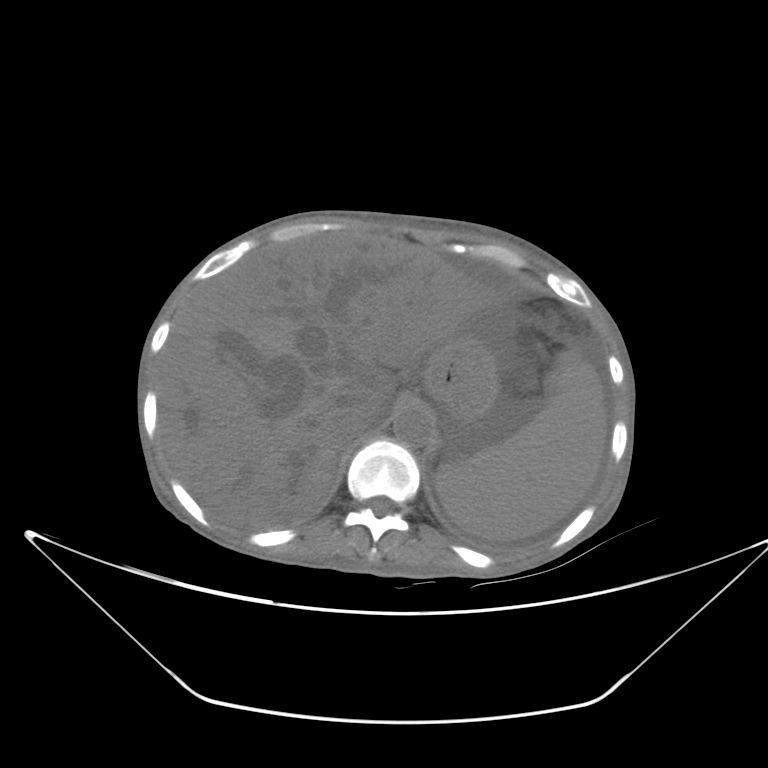
CT, abdomen/pelvis — axial view — soft-tissue window — 768x768 px — 56-year-old female patient
Each box given as x1,y1,x2,y2.
inferior vena cava: x1=332, y1=410, x2=383, y2=441
spleen: x1=433, y1=348, x2=607, y2=541
stomach: x1=423, y1=337, x2=498, y2=422
aorta: x1=393, y1=405, x2=433, y2=447
liver: x1=157, y1=233, x2=475, y2=528